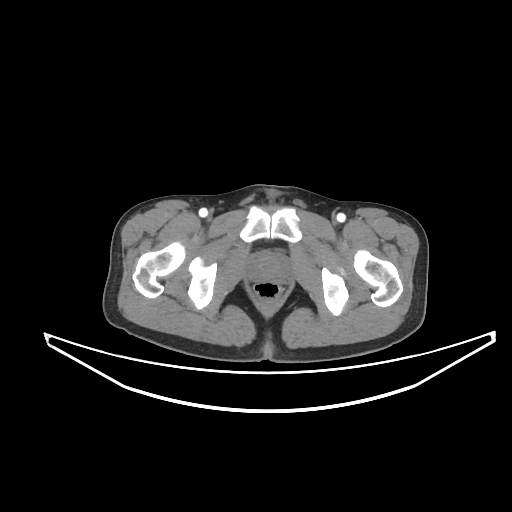
CT, abdomen/pelvis; axial plane, index 9
Bounding boxes as [x1, y1, x2, y2] in pixel coordinates. 1 labeled organ on this slice — prostate/uterus at [250, 255, 287, 280].